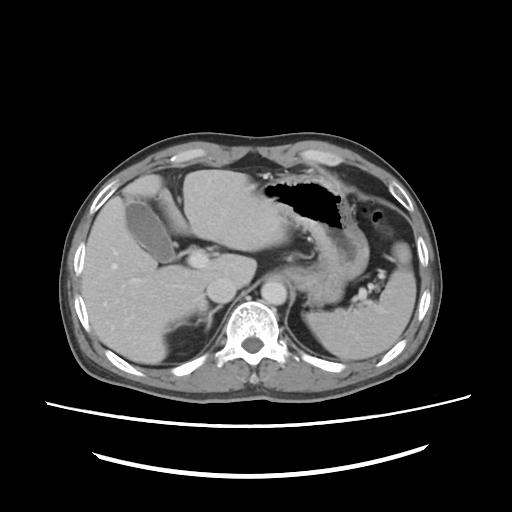 CT abdomen — axial view — 512x512 px — scan has 15 labeled organs (that count is for the whole scan; organs this slice misses have no box)
{"organs":{"spleen":[303,238,415,358],"gall bladder":[123,200,178,264],"liver":[82,169,288,364],"stomach":[257,174,369,306],"aorta":[261,280,287,304],"inferior vena cava":[205,276,237,302],"right adrenal gland":[194,305,223,331]}}